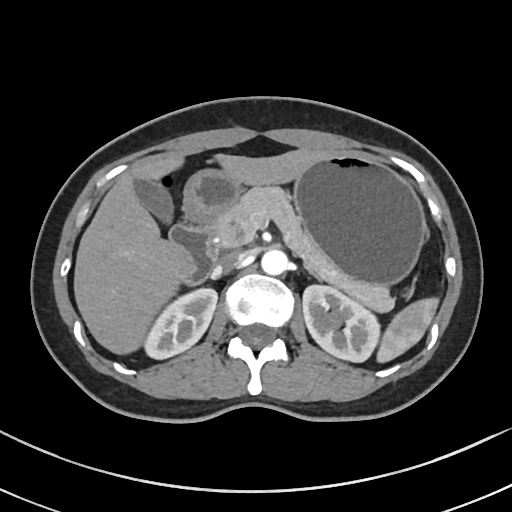

Computed tomography, abdomen. axial view. soft-tissue window. SOMATOM Force scanner. scan has 15 labeled organs (that count is for the whole scan; organs this slice misses have no box)
Organ boxes in pixel coordinates; each row gives the top-left (x1, y1) and bottom-right (x2, y2) corners.
| organ | x1 | y1 | x2 | y2 |
|---|---|---|---|---|
| spleen | 377 | 297 | 438 | 362 |
| right kidney | 143 | 288 | 217 | 359 |
| left kidney | 303 | 285 | 379 | 361 |
| gall bladder | 133 | 179 | 172 | 222 |
| liver | 74 | 147 | 331 | 354 |
| stomach | 184 | 152 | 426 | 284 |
| aorta | 261 | 249 | 288 | 275 |
| inferior vena cava | 212 | 253 | 241 | 276 |
| pancreas | 214 | 185 | 394 | 312 |
| right adrenal gland | 199 | 279 | 205 | 283 |
| left adrenal gland | 307 | 268 | 319 | 279 |
| duodenum | 169 | 218 | 217 | 284 |